Abdominal CT · axial view · abdomen soft-tissue window · 40-year-old male patient · acquired on Brilliance16 · scan has 15 labeled organs (a whole-scan count: organs this slice does not pass through have no box)
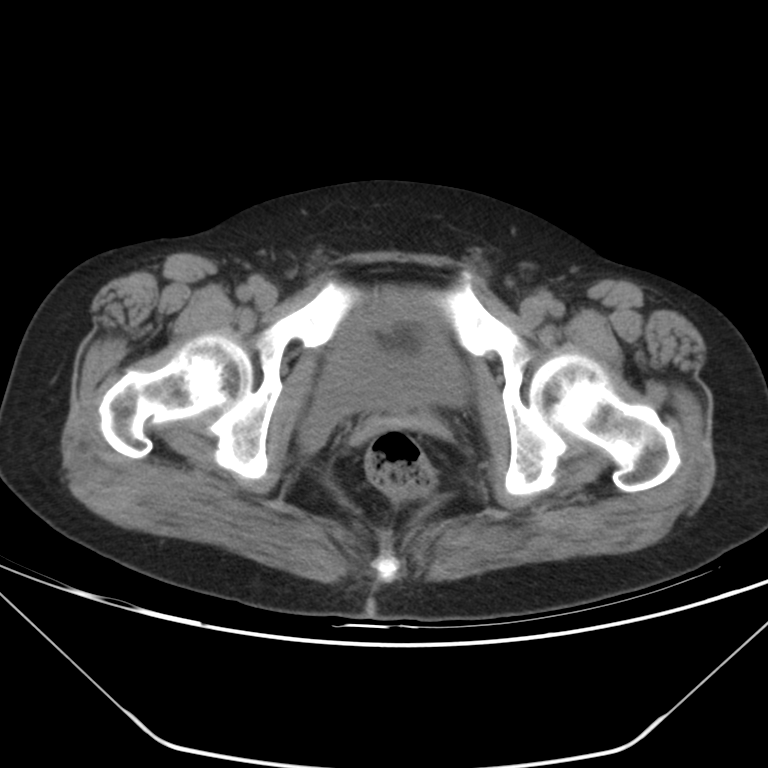
<organs><organ name="bladder" x1="301" y1="293" x2="464" y2="450"/></organs>